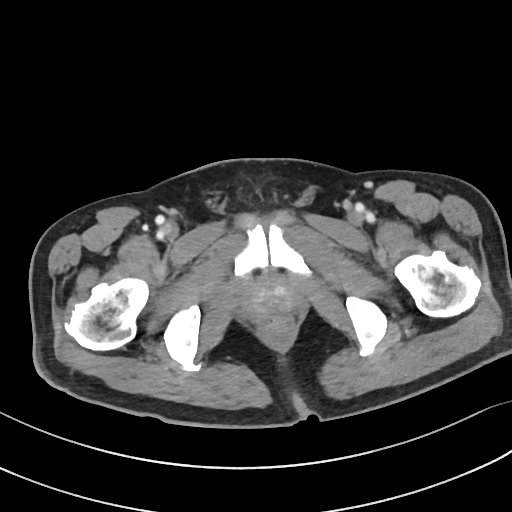

CT, abdomen/pelvis; axial view; soft-tissue window
Boxes are (x1, y1, x2, y2) in pixels. 1 labeled organ on this slice — prostate/uterus at (245, 277, 295, 318).